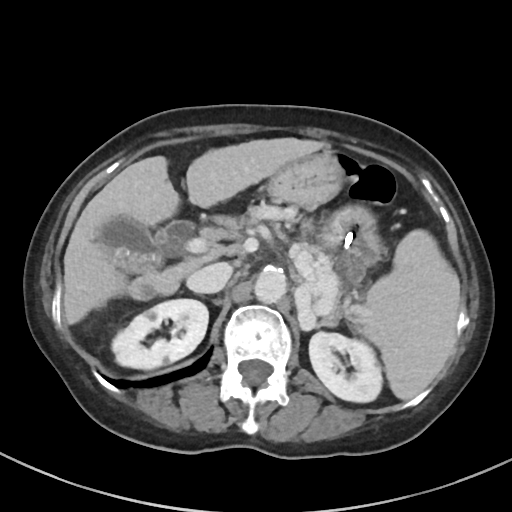

Abdominal CT · axial plane, index 58 · scan has 15 labeled organs (counted over the whole 3D scan, not this slice; an organ is boxed only where this slice passes through it)
Coordinates as <box>x1,y1,x2,y2</box> in pixels. 10 labeled organs on this slice — spleen at <box>353,229,458,399</box>; right kidney at <box>112,299,208,369</box>; left kidney at <box>309,332,381,402</box>; gall bladder at <box>94,217,169,274</box>; liver at <box>63,137,327,324</box>; stomach at <box>267,151,384,283</box>; aorta at <box>254,267,286,303</box>; inferior vena cava at <box>186,262,232,292</box>; pancreas at <box>306,244,340,310</box>; left adrenal gland at <box>316,316,336,327</box>.